Abdominal CT; this slice is in the lower chest, just above the liver. Axial slice 96/132. 61-year-old male patient
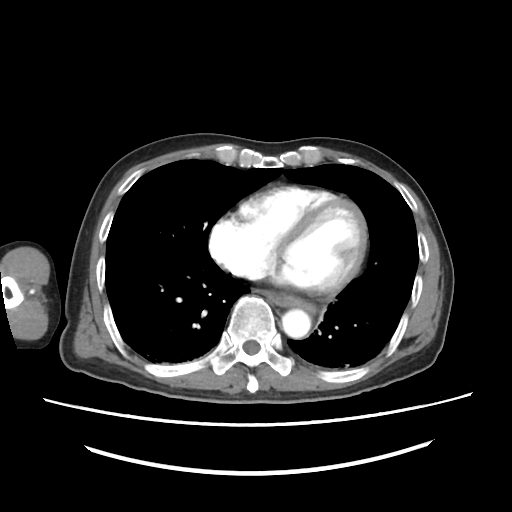 No part of the heart or lungs is labeled in this dataset, so neither has a box here.
{"organs":{"aorta":[282,308,310,337],"esophagus":[259,289,316,312]}}